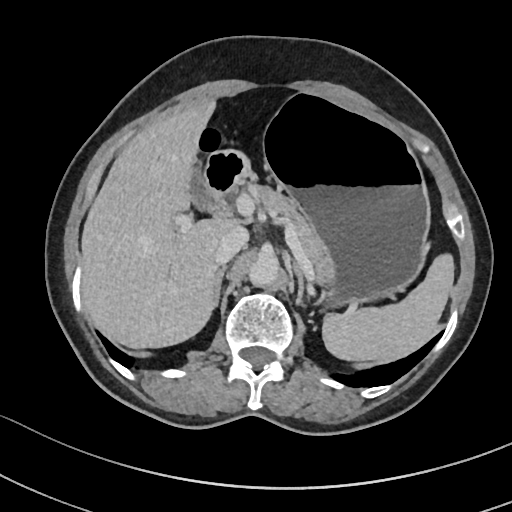 Computed tomography, abdomen · Axial slice 145/192 · abdomen soft-tissue window · 512x512 px · scan has 15 labeled organs (that count is for the whole scan; organs this slice misses have no box)
Box edges are left/top/right/bottom in pixels.
duodenum: left=203, top=150, right=251, bottom=210
spleen: left=322, top=255, right=453, bottom=363
liver: left=81, top=100, right=231, bottom=349
stomach: left=264, top=95, right=428, bottom=300
pancreas: left=246, top=181, right=336, bottom=282
inferior vena cava: left=213, top=226, right=248, bottom=264
right adrenal gland: left=211, top=265, right=228, bottom=308
gall bladder: left=186, top=170, right=210, bottom=211
aorta: left=250, top=251, right=279, bottom=283
left adrenal gland: left=294, top=264, right=304, bottom=305